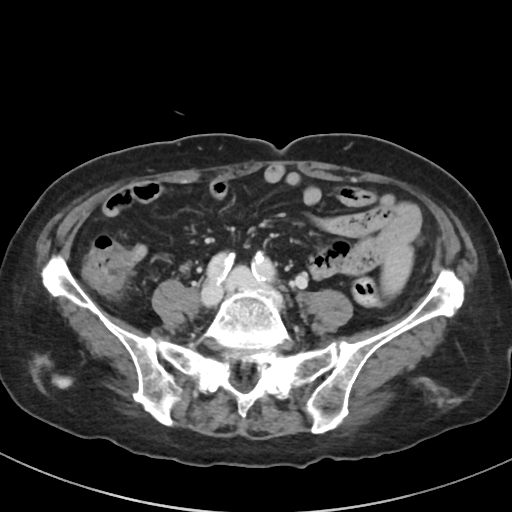 Computed tomography, abdomen. axial view. abdomen soft-tissue window. 512x512 px
Bounding boxes in pixels, one row per box: x1, y1 is the top-left corner and x2, y2 the bottom-right.
| organ | x1 | y1 | x2 | y2 |
|---|---|---|---|---|
| spleen | 381 | 243 | 412 | 294 |